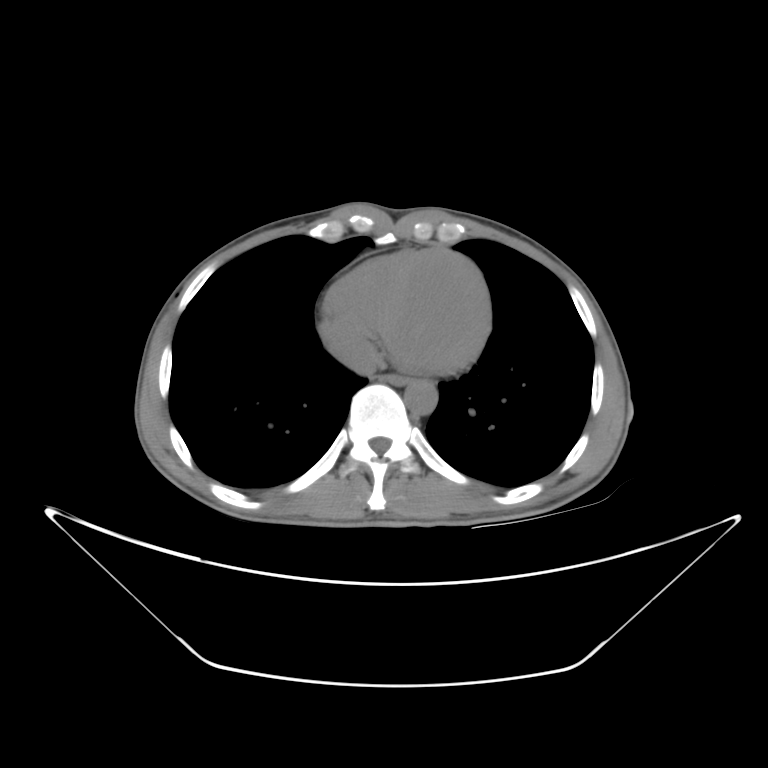
CT of the abdomen reaching into the lower chest, slice just above the liver and spleen. axial view. soft-tissue window. 33-year-old male patient. 15 organs annotated in this scan (counted over the whole 3D scan, not this slice; an organ is boxed only where this slice passes through it)
No part of the heart or lungs is labeled in this dataset, so neither has a box here.
Box edges are left/top/right/bottom in pixels.
Organ bounding boxes:
- esophagus: left=378, top=372, right=414, bottom=385
- aorta: left=403, top=380, right=438, bottom=417
- inferior vena cava: left=316, top=323, right=379, bottom=373